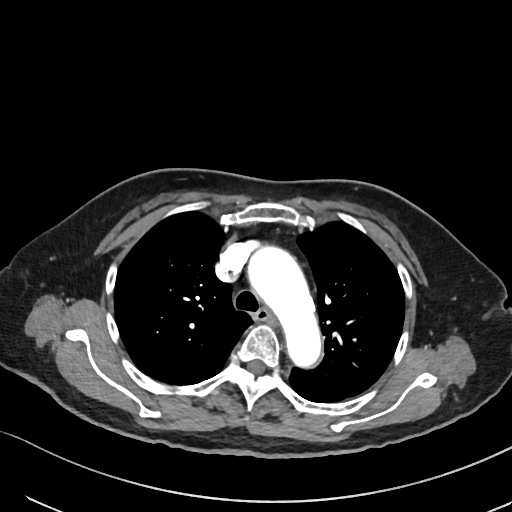
Abdominal CT reaching into the chest; this slice is in the chest — axial view — acquired on SOMATOM Force
On a slice this high in the chest, this dataset labels only the esophagus and the aorta, and each is boxed only where it is labeled; the heart, lungs and other chest structures are not labeled.
<organs><organ name="esophagus" x1="254" y1="308" x2="274" y2="322"/><organ name="aorta" x1="249" y1="250" x2="320" y2="365"/></organs>